Abdominal CT — axial plane, index 23 — soft-tissue window
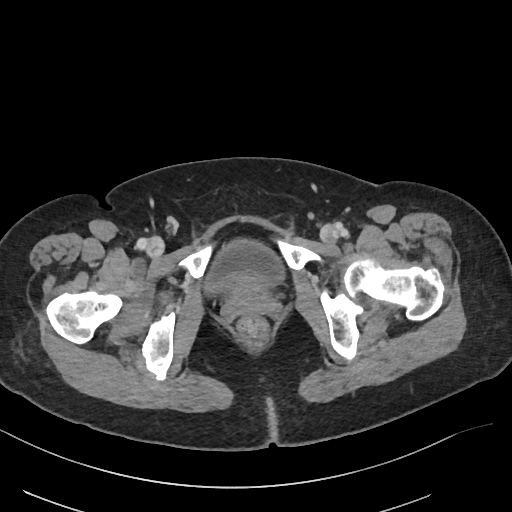

Boxes: x1:y1:x2:y2 in pixels.
bladder: 207:239:284:292